Chest-level CT slice, above the liver and spleen — axial view — soft-tissue window
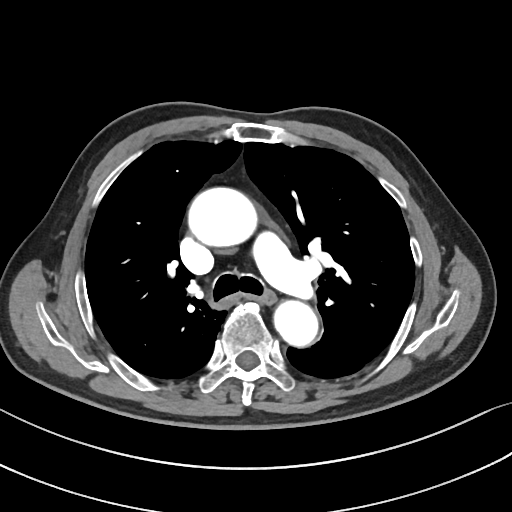

At this level of the chest no structure but the esophagus and the aorta has a label in this dataset, and those two are boxed only where they are labeled.
Boxes: x1:y1:x2:y2 in pixels.
Organ bounding boxes:
- aorta: 189:187:258:246
- aorta: 273:299:317:345
- esophagus: 258:290:275:303